CT abdomen · axial view · W/L 400/40 HU · 512x512 px · 15 organs annotated in this scan (that count is for the whole scan; organs this slice misses have no box)
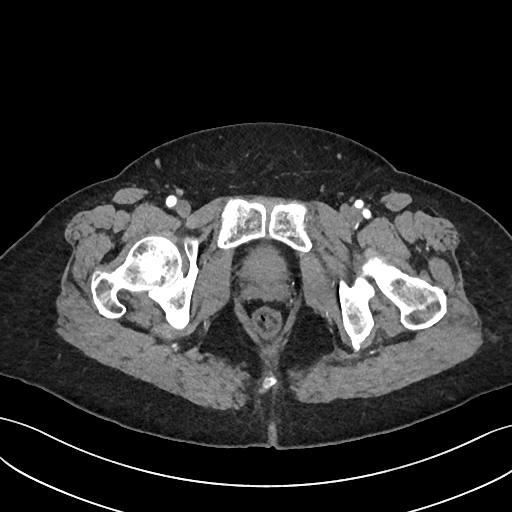 Boxes: x1:y1:x2:y2 in pixels.
Organ bounding boxes:
- bladder: 244:249:285:278